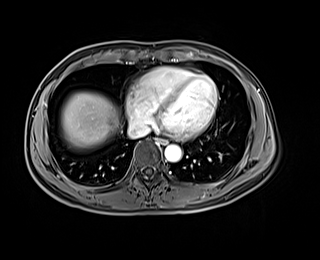
Abdominal MRI. axial view. percentile-normalized. 320x260 px. Prisma scanner
Each box given as x1,y1,x2,y2.
Organ bounding boxes:
- esophagus: x1=157, y1=138, x2=167, y2=144
- liver: x1=61, y1=92, x2=120, y2=148
- aorta: x1=164, y1=144, x2=181, y2=162
- inferior vena cava: x1=127, y1=124, x2=149, y2=138